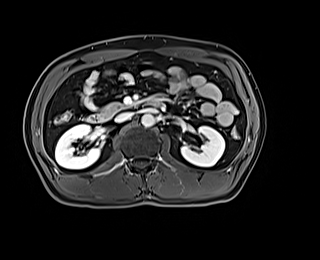
Magnetic resonance imaging, abdomen. axial plane, index 5. 320x260 px. 13 organs annotated in this scan (a whole-scan count: organs this slice does not pass through have no box)
<organs><organ name="aorta" x1="141" y1="114" x2="155" y2="127"/><organ name="pancreas" x1="101" y1="102" x2="127" y2="114"/><organ name="inferior vena cava" x1="115" y1="112" x2="132" y2="122"/><organ name="duodenum" x1="87" y1="99" x2="161" y2="122"/><organ name="right kidney" x1="55" y1="124" x2="100" y2="169"/><organ name="left kidney" x1="181" y1="126" x2="224" y2="166"/></organs>